CT abdomen — axial view
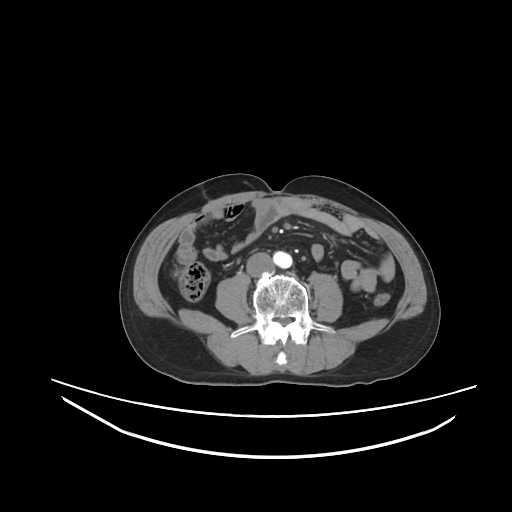

Each box given as x1,y1,x2,y2. The annotated organs in this slice are: aorta at x1=273, y1=251, x2=292, y2=268, inferior vena cava at x1=246, y1=252, x2=274, y2=275.